CT, abdomen/pelvis; axial view; abdomen soft-tissue window; SOMATOM Force scanner
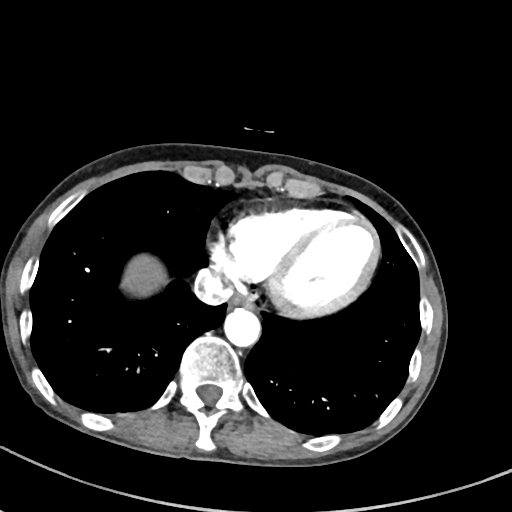 Each box given as x1,y1,x2,y2. The annotated organs in this slice are: esophagus at x1=230, y1=292, x2=254, y2=307, liver at x1=122, y1=254, x2=168, y2=293, aorta at x1=223, y1=307, x2=259, y2=345, inferior vena cava at x1=193, y1=271, x2=233, y2=305.